MRI, abdomen. axial plane, index 26. 576x468 px
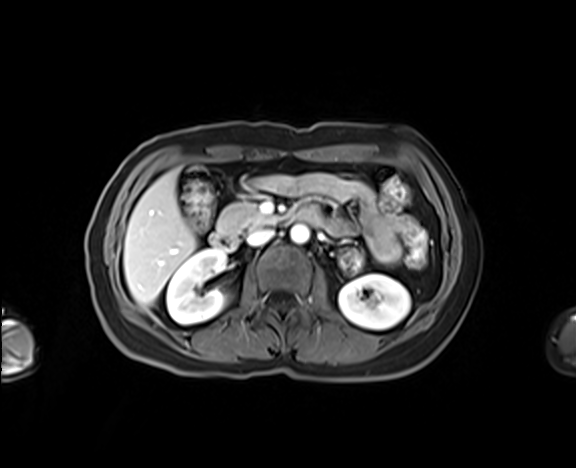 Bounding boxes in pixels, one row per box: x1, y1 is the top-left corner and x2, y2 the bottom-right.
| organ | x1 | y1 | x2 | y2 |
|---|---|---|---|---|
| right kidney | 167 | 249 | 227 | 323 |
| left kidney | 338 | 274 | 410 | 329 |
| liver | 123 | 170 | 196 | 305 |
| aorta | 291 | 224 | 309 | 243 |
| inferior vena cava | 246 | 229 | 273 | 246 |
| pancreas | 217 | 203 | 276 | 236 |
| duodenum | 210 | 209 | 320 | 250 |